CT abdomen · axial view · acquired on SOMATOM Force
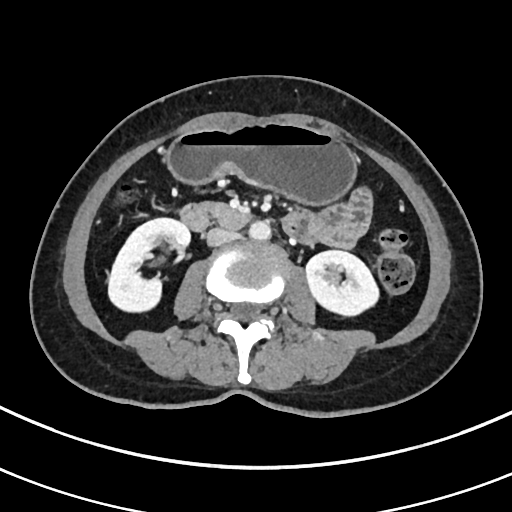 One row per box, in pixels: columns x1 and y1 give the top-left corner, x2 and y2 the bottom-right.
| organ | x1 | y1 | x2 | y2 |
|---|---|---|---|---|
| right kidney | 108 | 218 | 190 | 311 |
| left kidney | 306 | 250 | 378 | 315 |
| stomach | 166 | 121 | 355 | 203 |
| aorta | 248 | 221 | 270 | 241 |
| inferior vena cava | 206 | 228 | 239 | 246 |
| duodenum | 179 | 203 | 252 | 231 |